Computed tomography, abdomen. axial view
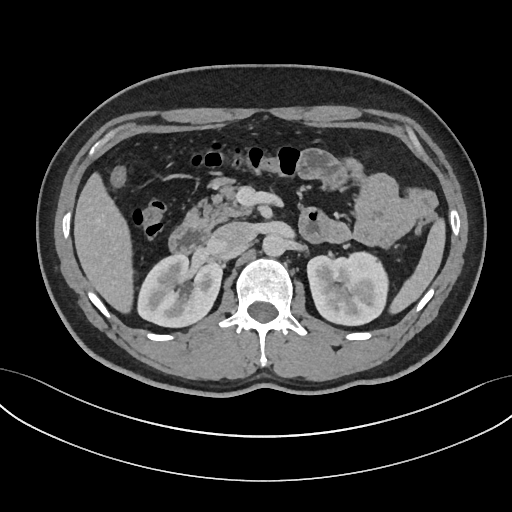
<organs><organ name="spleen" x1="389" y1="218" x2="445" y2="313"/><organ name="right kidney" x1="137" y1="254" x2="222" y2="327"/><organ name="left kidney" x1="307" y1="252" x2="388" y2="325"/><organ name="liver" x1="74" y1="173" x2="133" y2="313"/><organ name="aorta" x1="262" y1="234" x2="286" y2="256"/><organ name="inferior vena cava" x1="211" y1="222" x2="255" y2="253"/><organ name="pancreas" x1="185" y1="177" x2="251" y2="230"/><organ name="duodenum" x1="169" y1="222" x2="209" y2="254"/></organs>